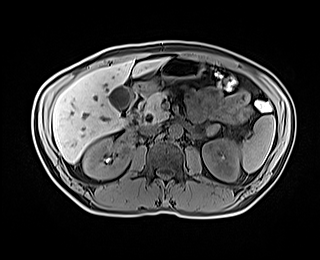 Magnetic resonance imaging, abdomen; axial view
Boxes: x1 y1 x2 y2 (pixel coords, space-separated).
spleen: 241 115 275 172
right kidney: 83 137 132 179
left kidney: 202 138 239 181
gall bladder: 108 86 132 109
liver: 52 58 168 163
stomach: 132 56 202 93
aorta: 169 124 183 138
inferior vena cava: 141 125 159 135
pancreas: 144 91 167 124
duodenum: 127 91 146 129